Abdominal CT; this slice is in the lower chest, just above the liver · axial view
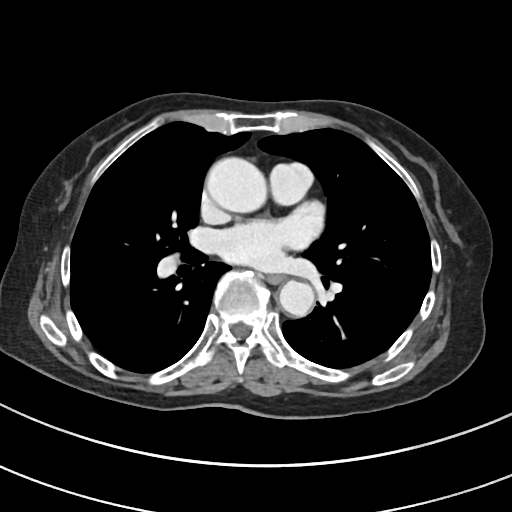
The heart and lungs are never labeled in this dataset, so they have no box on this slice.
{"organs":{"aorta":[[206,157,266,212],[278,280,314,317]],"esophagus":[266,274,286,283]}}